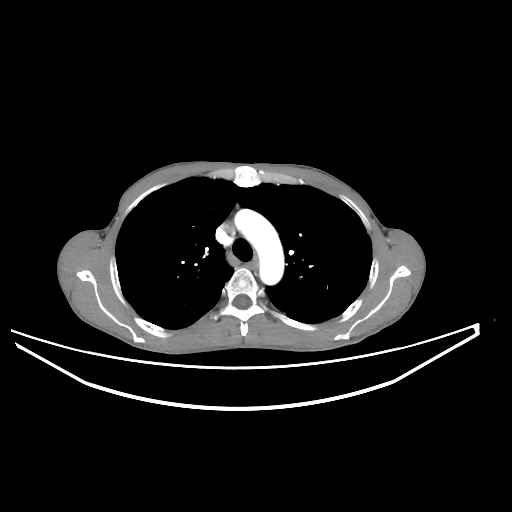
Abdominal CT reaching into the chest; this slice is in the chest. axial view. 60-year-old male patient
At this level of the chest no structure but the esophagus and the aorta has a label in this dataset, and those two are boxed only where they are labeled.
Box edges are left/top/right/bottom in pixels.
Organ bounding boxes:
- esophagus: left=250, top=260, right=258, bottom=270
- aorta: left=234, top=209, right=284, bottom=284